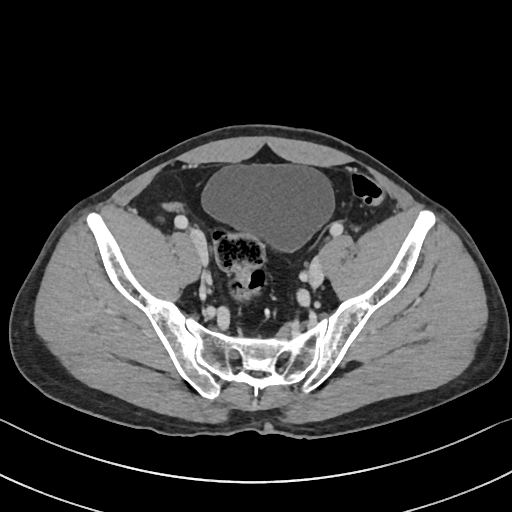 Computed tomography, abdomen. axial view. abdomen soft-tissue window
One row per box, in pixels: columns x1 and y1 give the top-left corner, x2 and y2 the bottom-right.
| organ | x1 | y1 | x2 | y2 |
|---|---|---|---|---|
| bladder | 202 | 164 | 334 | 250 |